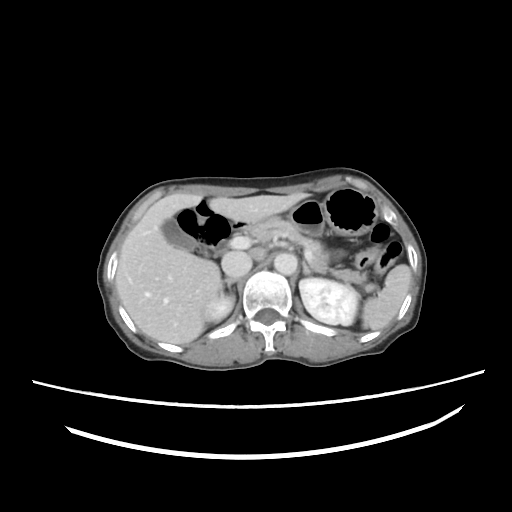 Abdominal CT; axial view; 15 organs annotated in this scan (a whole-scan count: organs this slice does not pass through have no box)
<organs><organ name="spleen" x1="362" y1="265" x2="411" y2="329"/><organ name="right kidney" x1="206" y1="294" x2="234" y2="322"/><organ name="left kidney" x1="299" y1="278" x2="357" y2="325"/><organ name="gall bladder" x1="160" y1="218" x2="198" y2="251"/><organ name="liver" x1="115" y1="192" x2="309" y2="343"/><organ name="stomach" x1="280" y1="189" x2="377" y2="235"/><organ name="aorta" x1="274" y1="254" x2="296" y2="276"/><organ name="inferior vena cava" x1="222" y1="252" x2="252" y2="277"/><organ name="pancreas" x1="253" y1="217" x2="367" y2="285"/><organ name="right adrenal gland" x1="220" y1="277" x2="240" y2="295"/><organ name="left adrenal gland" x1="303" y1="261" x2="312" y2="274"/><organ name="duodenum" x1="233" y1="216" x2="262" y2="228"/></organs>